CT abdomen · Axial slice 47/84
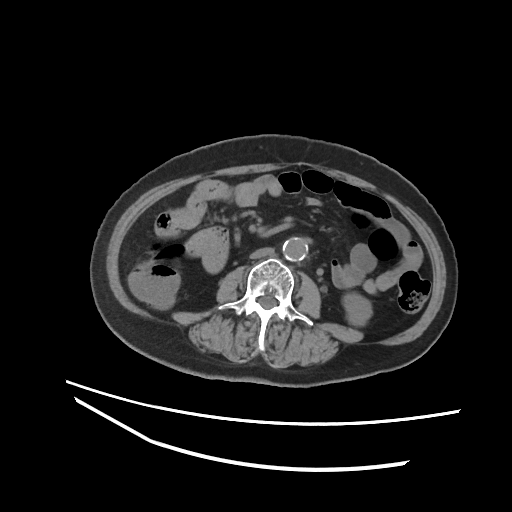

Each box given as x1,y1,x2,y2.
left kidney: x1=343, y1=293, x2=372, y2=325
aorta: x1=282, y1=237, x2=307, y2=260
inferior vena cava: x1=249, y1=247, x2=274, y2=258